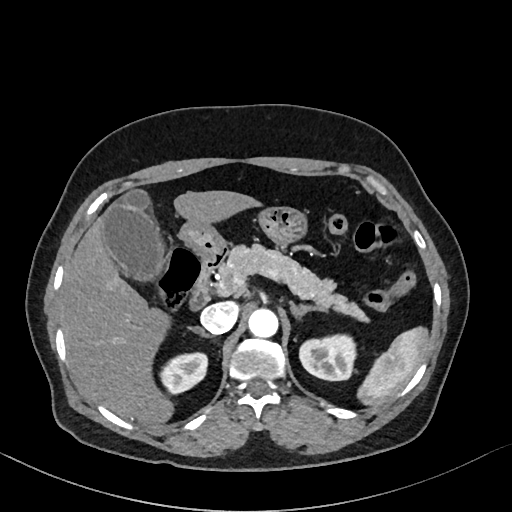

Computed tomography, abdomen — axial view
Organ boxes in pixel coordinates; each row gives the top-left (x1, y1) and bottom-right (x2, y2) corners.
| organ | x1 | y1 | x2 | y2 |
|---|---|---|---|---|
| stomach | 180 | 207 | 307 | 256 |
| spleen | 357 | 327 | 428 | 406 |
| duodenum | 189 | 250 | 227 | 310 |
| pancreas | 218 | 243 | 368 | 321 |
| left adrenal gland | 290 | 301 | 328 | 318 |
| right kidney | 159 | 352 | 207 | 393 |
| left kidney | 299 | 334 | 355 | 380 |
| gall bladder | 101 | 190 | 163 | 280 |
| liver | 61 | 190 | 261 | 425 |
| inferior vena cava | 200 | 302 | 238 | 333 |
| right adrenal gland | 190 | 327 | 211 | 337 |
| aorta | 248 | 308 | 278 | 337 |